Computed tomography, abdomen; axial view; soft-tissue window (W 400 / L 40)
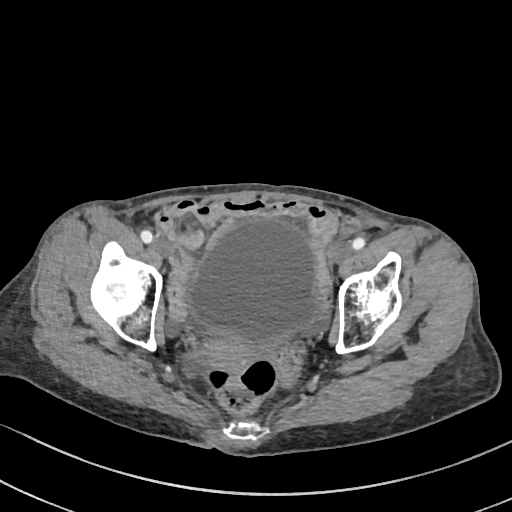 One row per box, in pixels: columns x1 and y1 give the top-left corner, x2 and y2 the bottom-right.
| organ | x1 | y1 | x2 | y2 |
|---|---|---|---|---|
| bladder | 186 | 218 | 319 | 343 |
| prostate/uterus | 202 | 335 | 257 | 369 |